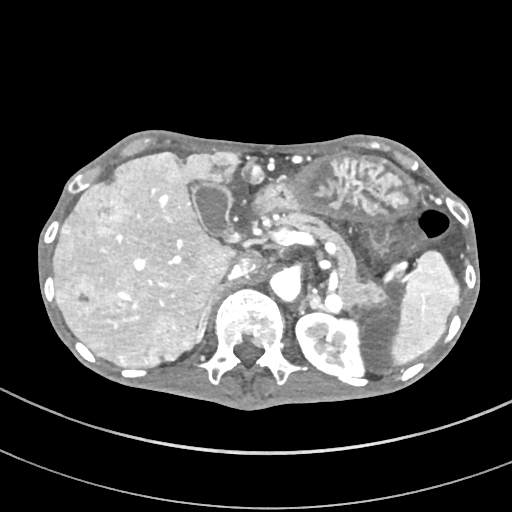

Computed tomography, abdomen — axial view — soft-tissue window — 512x512 px — scan has 15 labeled organs (counted over the whole 3D scan, not this slice; an organ is boxed only where this slice passes through it)
{"organs":{"spleen":[389,252,459,367],"left kidney":[295,313,364,377],"gall bladder":[193,182,232,234],"liver":[52,151,264,368],"stomach":[253,153,415,220],"aorta":[269,269,301,302],"inferior vena cava":[228,254,266,280],"pancreas":[275,214,384,306],"right adrenal gland":[195,290,218,343],"left adrenal gland":[297,287,327,313]}}